CT of the abdomen reaching into the lower chest, slice just above the liver and spleen; axial view; soft-tissue window, W/L 400/40
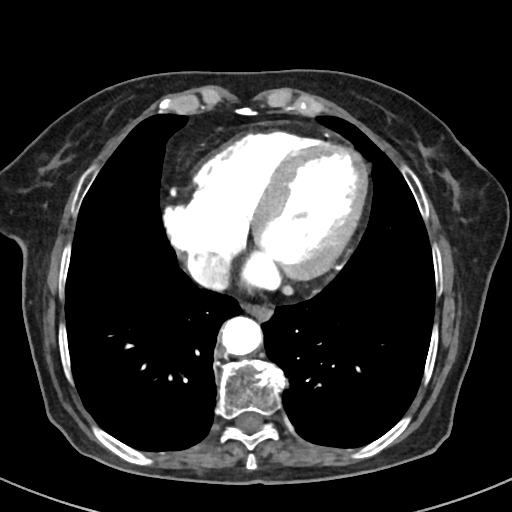
No part of the heart or lungs is labeled in this dataset, so neither has a box here. Coordinates as <box>x1,y1,x2,y2</box> in pixels. Labeled organs on this slice: esophagus at <box>244,305,272,319</box>, aorta at <box>221,316,263,355</box>, inferior vena cava at <box>186,252,226,290</box>.